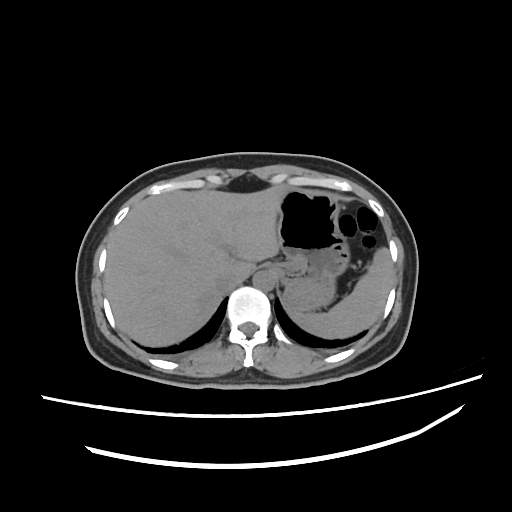

CT abdomen; axial view; 43-year-old female patient; acquired on Aquilion ONE
Bounding boxes in pixels, one row per box: x1, y1 is the top-left corner and x2, y2 the bottom-right.
| organ | x1 | y1 | x2 | y2 |
|---|---|---|---|---|
| spleen | 290 | 248 | 392 | 339 |
| inferior vena cava | 216 | 271 | 244 | 293 |
| aorta | 253 | 269 | 275 | 289 |
| liver | 103 | 184 | 288 | 346 |
| stomach | 270 | 188 | 350 | 312 |